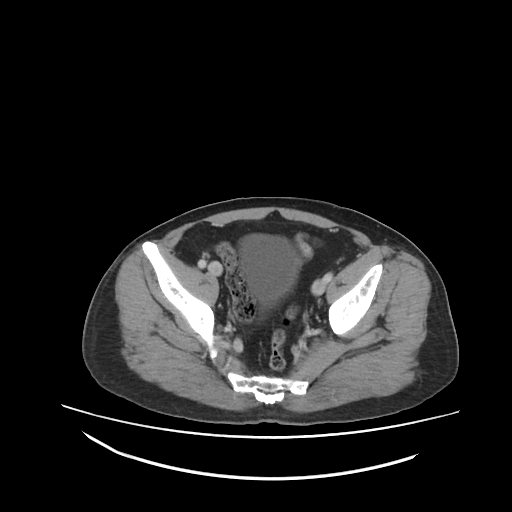
Abdominal CT · axial view · W/L 400/40 HU · 512x512 px · Aquilion ONE scanner
{"organs":{"bladder":[239,235,296,302]}}